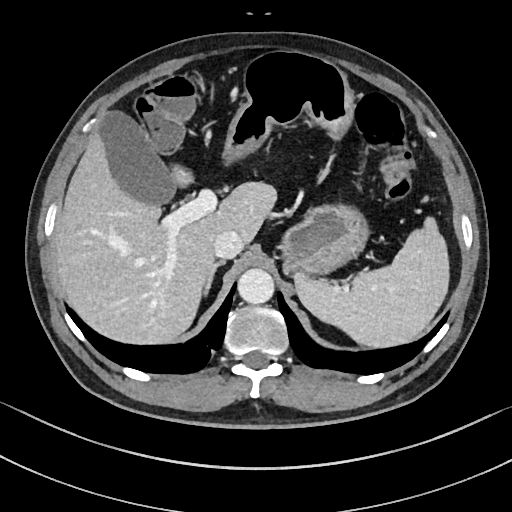 Computed tomography, abdomen — axial view
Box edges are left/top/right/bottom in pixels.
Organ bounding boxes:
- inferior vena cava: left=213, top=230, right=244, bottom=257
- gall bladder: left=98, top=111, right=177, bottom=206
- right adrenal gland: left=204, top=259, right=226, bottom=294
- spleen: left=294, top=216, right=450, bottom=347
- stomach: left=220, top=51, right=367, bottom=276
- liver: left=53, top=132, right=275, bottom=345
- aorta: left=238, top=268, right=274, bottom=304